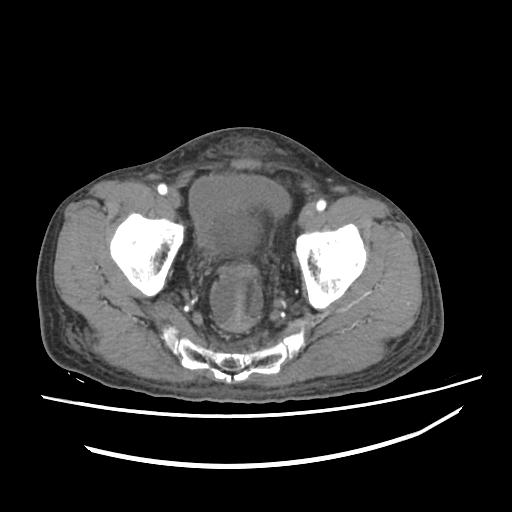

CT abdomen. axial view. 512x512 px. 15 organs annotated in this scan (that count is for the whole scan; organs this slice misses have no box)
Boxes: x1:y1:x2:y2 in pixels.
bladder: 189:175:290:246